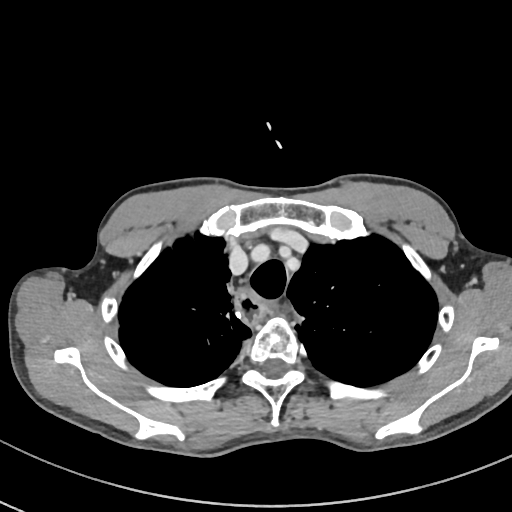
CT of the abdomen extending into the chest, slice through the chest; axial view; acquired on SOMATOM Force
At this level of the chest no structure but the esophagus and the aorta has a label in this dataset, and those two are boxed only where they are labeled.
<organs><organ name="esophagus" x1="237" y1="288" x2="271" y2="325"/></organs>